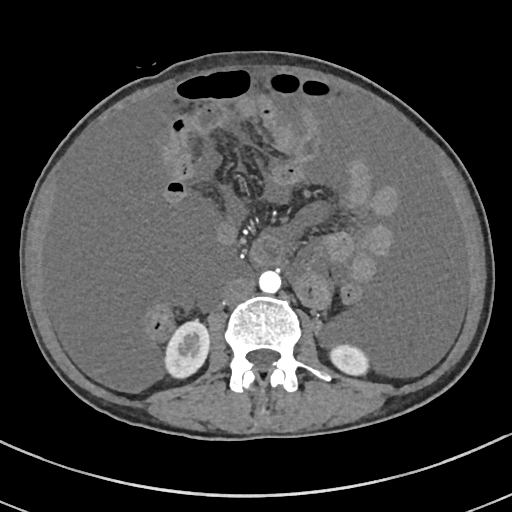 Abdominal CT; axial view; W/L 400/40 HU; acquired on SOMATOM Force
Organ boxes in pixel coordinates; each row gives the top-left (x1, y1) and bottom-right (x2, y2) corners.
| organ | x1 | y1 | x2 | y2 |
|---|---|---|---|---|
| inferior vena cava | 223 | 277 | 254 | 303 |
| aorta | 258 | 271 | 281 | 293 |
| right kidney | 164 | 323 | 209 | 379 |
| left kidney | 330 | 344 | 370 | 376 |